CT of the abdomen extending into the chest, slice through the chest — axial view — soft-tissue window, W/L 400/40 — 512x512 px — 15 organs annotated in this scan (that count is for the whole scan; organs this slice misses have no box)
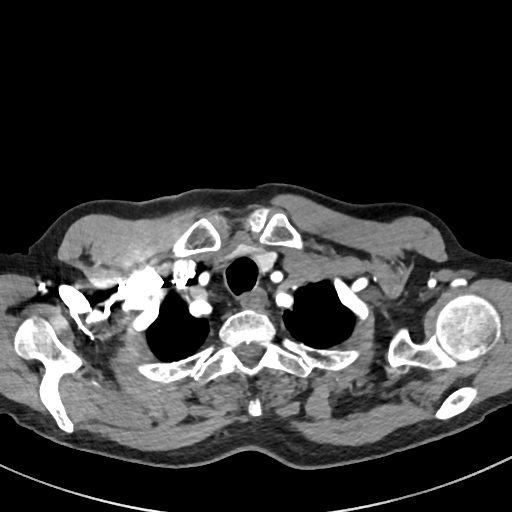
At this level of the chest this dataset labels only the esophagus and the aorta, and each is boxed only where it is labeled; the heart and lungs are never labeled. Bounding boxes as [x1, y1, x2, y2] in pixel coordinates. The annotated organs in this slice are: esophagus at [242, 291, 267, 308].